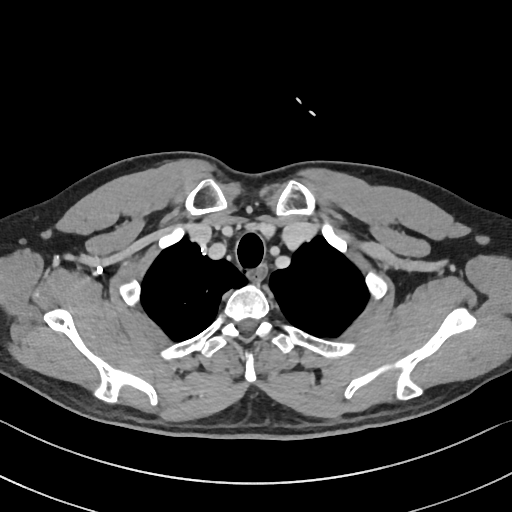
Abdominal CT reaching into the chest; this slice is in the chest; axial view; acquired on SOMATOM Force; scan has 15 labeled organs (a whole-scan count: organs this slice does not pass through have no box)
On a slice this high in the chest, this dataset labels only the esophagus and the aorta, and each is boxed only where it is labeled; the heart, lungs and other chest structures are not labeled.
Boxes are (x1, y1, x2, y2) in pixels.
Organ bounding boxes:
- esophagus: (248, 264, 266, 280)